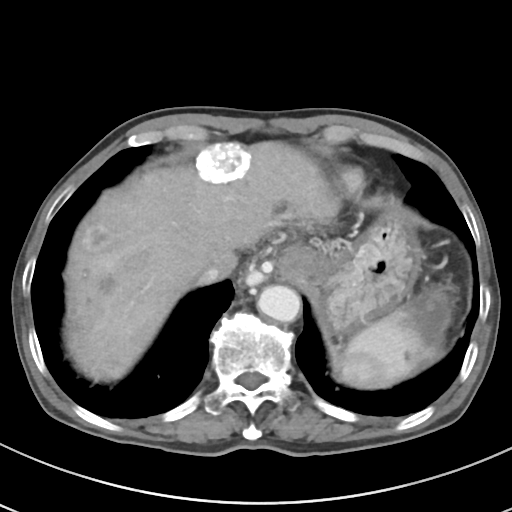 CT, abdomen/pelvis; axial plane, index 71; 512x512 px
Boxes: x1 y1 x2 y2 (pixel coords, space-separated).
Organ bounding boxes:
- stomach: 278 212 443 351
- esophagus: 239 258 285 295
- liver: 64 141 339 380
- aorta: 257 285 300 322
- spleen: 332 287 452 388
- inferior vena cava: 199 260 227 283